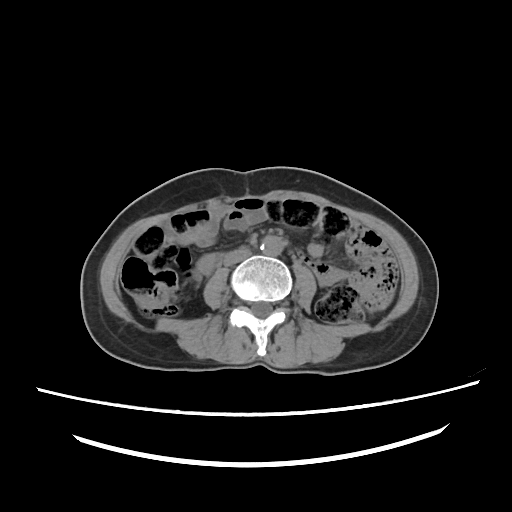
CT, abdomen/pelvis. axial plane, index 41. abdomen soft-tissue window
Coordinates as <box>x1,y1,x2,y2</box> in pixels.
aorta: <box>260,236,283,256</box>
inferior vena cava: <box>223,247,251,265</box>